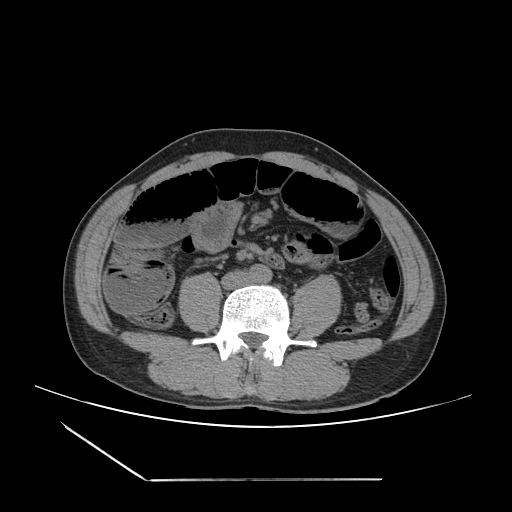
CT abdomen · axial view · 512x512 px · SOMATOM Force scanner
{"organs":{"aorta":[248,264,272,282],"inferior vena cava":[221,271,251,289]}}